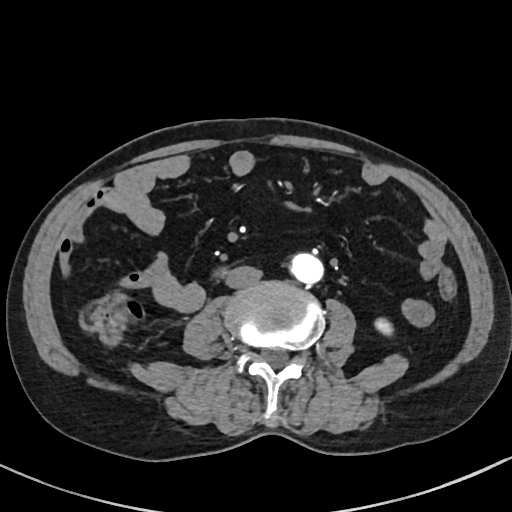
Computed tomography, abdomen; axial view
<organs><organ name="left kidney" x1="375" y1="318" x2="393" y2="335"/><organ name="inferior vena cava" x1="225" y1="265" x2="262" y2="288"/><organ name="aorta" x1="290" y1="252" x2="323" y2="284"/></organs>